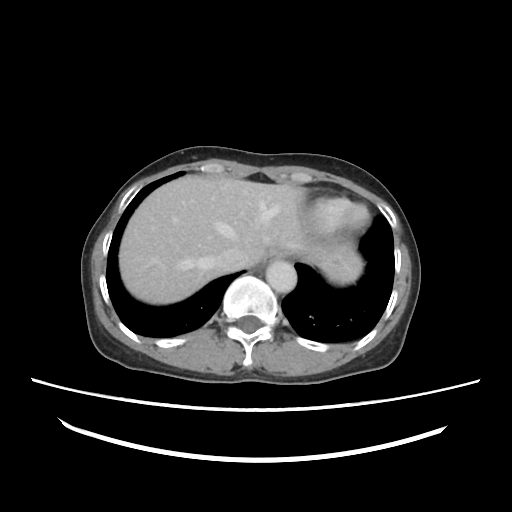

Abdominal CT · axial view · 54-year-old female patient · scan has 15 labeled organs (that count is for the whole scan; organs this slice misses have no box)
Boxes: x1:y1:x2:y2 in pixels.
Organ bounding boxes:
- spleen: 322:267:350:284
- esophagus: 258:251:274:268
- liver: 118:177:361:304
- aorta: 266:261:296:293
- inferior vena cava: 214:248:242:272